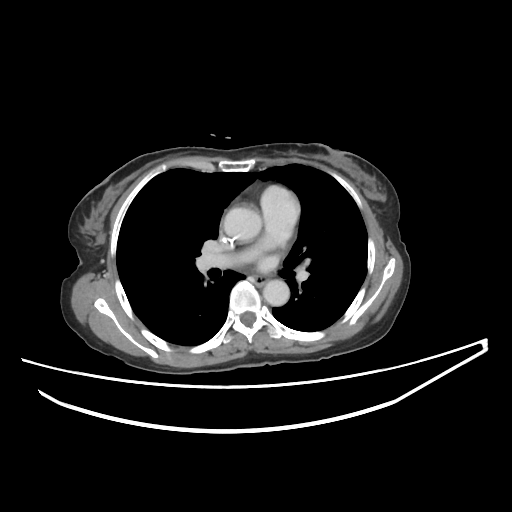

CT of the abdomen reaching into the lower chest, slice just above the liver and spleen. Axial slice 95/116. W/L 400/40 HU
The heart and lungs are never labeled in this dataset, so they have no box on this slice. Coordinates as <box>x1,y1,x2,y2</box> in pixels. 2 labeled organs on this slice — esophagus at <box>253,276,266,285</box>; aorta at <box>223,207,261,242</box>; aorta at <box>263,279,289,306</box>.